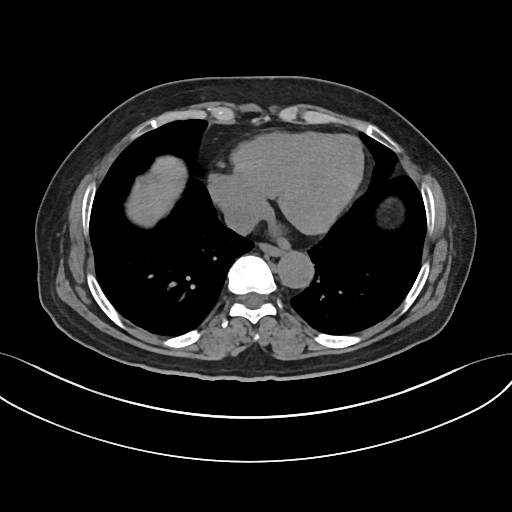

Abdominal CT; axial plane, index 197; soft-tissue window; 15 organs annotated in this scan (counted over the whole 3D scan, not this slice; an organ is boxed only where this slice passes through it)
Coordinates as <box>x1,y1,x2,y2</box> in pixels. 4 labeled organs on this slice — inferior vena cava at <box>223,207,257,234</box>; liver at <box>130,156,184,223</box>; aorta at <box>278,252,314,289</box>; esophagus at <box>260,245,283,257</box>.